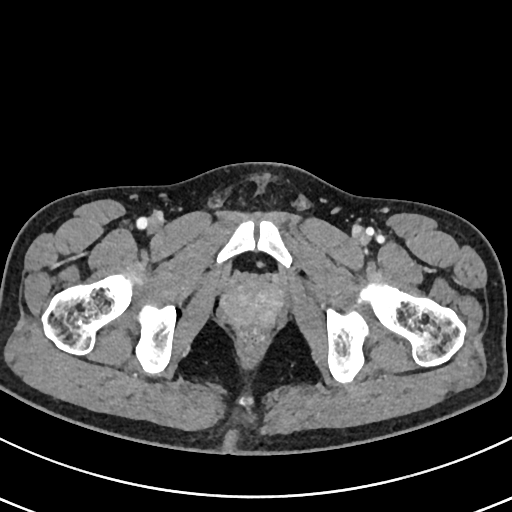 CT, abdomen/pelvis — Axial slice 12/218 — soft-tissue window (W 400 / L 40) — SOMATOM Force scanner — scan has 15 labeled organs (counted over the whole 3D scan, not this slice; an organ is boxed only where this slice passes through it)
Boxes: x1:y1:x2:y2 in pixels. 2 labeled organs on this slice — bladder at 0:6:7:20; prostate/uterus at 223:282:281:326.